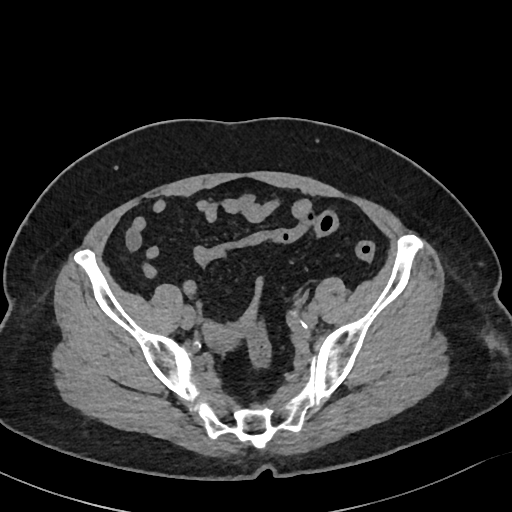

CT, abdomen/pelvis · axial plane, index 51 · soft-tissue window
{"organs":{"prostate/uterus":[205,324,242,348]}}